Abdominal CT · Axial slice 62/143 · 512x512 px
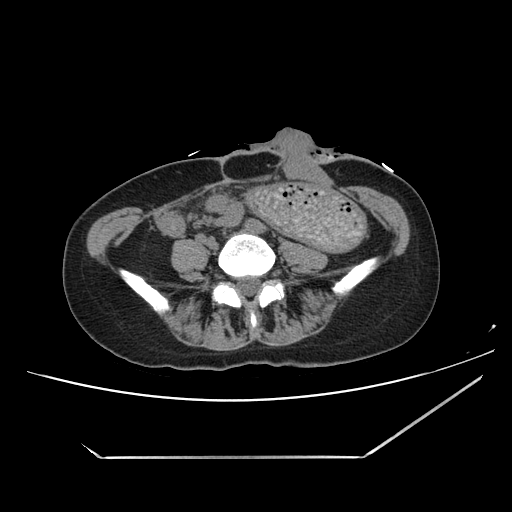 <organs><organ name="stomach" x1="248" y1="181" x2="364" y2="251"/></organs>